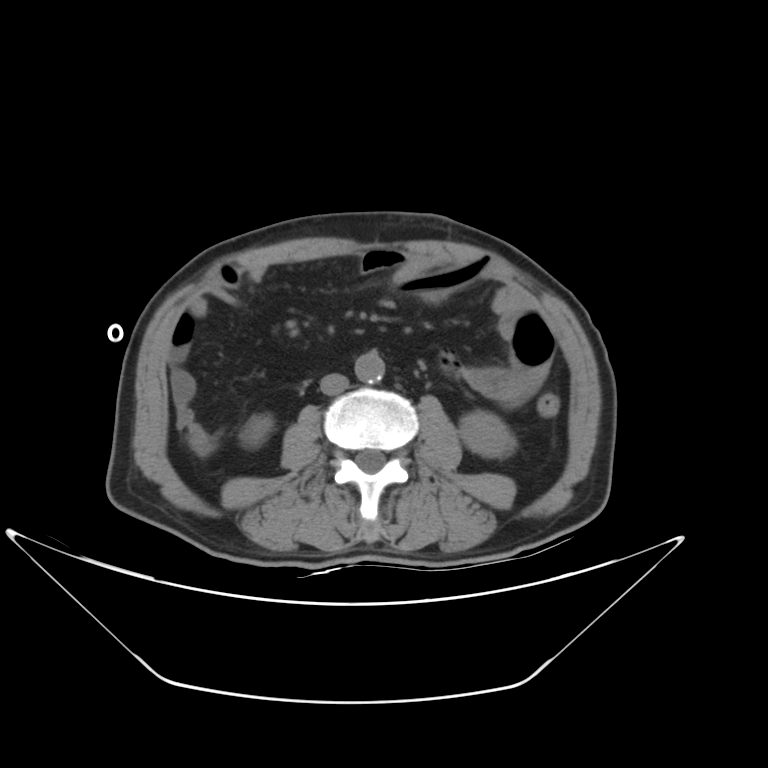
Computed tomography, abdomen — axial plane, index 52 — W/L 400/40 HU — scan has 15 labeled organs (that count is for the whole scan; organs this slice misses have no box)
{"organs":{"right kidney":[240,416,271,447],"left kidney":[459,411,514,457],"aorta":[355,351,384,383],"inferior vena cava":[320,374,347,394]}}